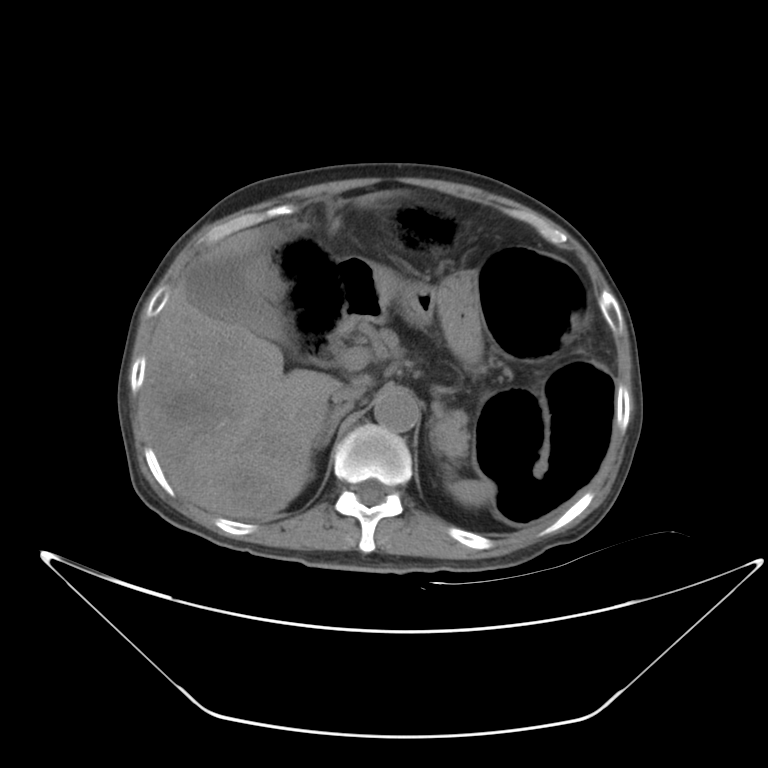 Abdominal CT — Axial slice 70/95 — scan has 15 labeled organs (counted over the whole 3D scan, not this slice; an organ is boxed only where this slice passes through it)
<organs><organ name="gall bladder" x1="185" y1="258" x2="298" y2="353"/><organ name="pancreas" x1="378" y1="329" x2="468" y2="454"/><organ name="right adrenal gland" x1="314" y1="405" x2="351" y2="448"/><organ name="stomach" x1="366" y1="261" x2="483" y2="367"/><organ name="liver" x1="139" y1="229" x2="372" y2="519"/><organ name="aorta" x1="374" y1="390" x2="419" y2="432"/><organ name="spleen" x1="446" y1="479" x2="496" y2="506"/><organ name="duodenum" x1="328" y1="258" x2="384" y2="350"/><organ name="inferior vena cava" x1="330" y1="386" x2="364" y2="409"/></organs>